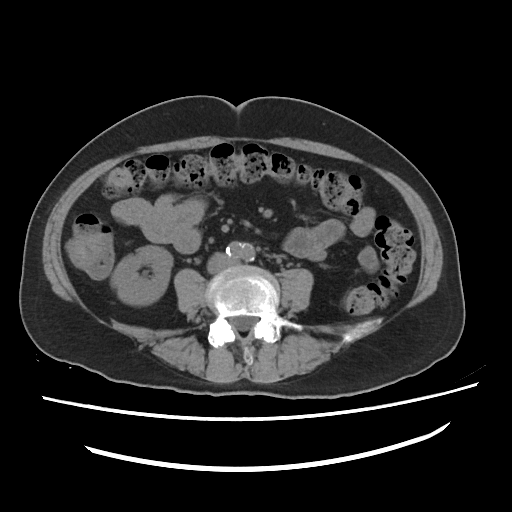

Abdominal CT · axial view · 14 organs annotated in this scan (that count is for the whole scan; organs this slice misses have no box)
Boxes: x1:y1:x2:y2 in pixels.
right kidney: 111:246:172:305
inferior vena cava: 208:253:233:272
aorta: 226:242:255:261